Abdominal CT; this slice is in the lower chest, just above the liver; axial view; 512x512 px
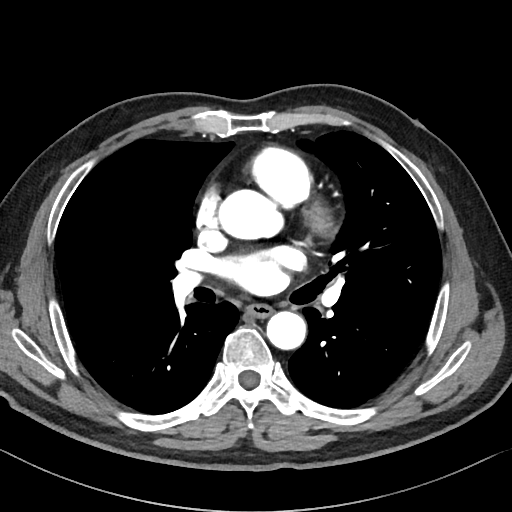

No part of the heart or lungs is labeled in this dataset, so neither has a box here.
Organ boxes in pixel coordinates; each row gives the top-left (x1, y1) and bottom-right (x2, y2) corners.
| organ | x1 | y1 | x2 | y2 |
|---|---|---|---|---|
| esophagus | 248 | 304 | 272 | 317 |
| aorta | 221 | 190 | 283 | 239 |
| aorta | 267 | 311 | 306 | 349 |